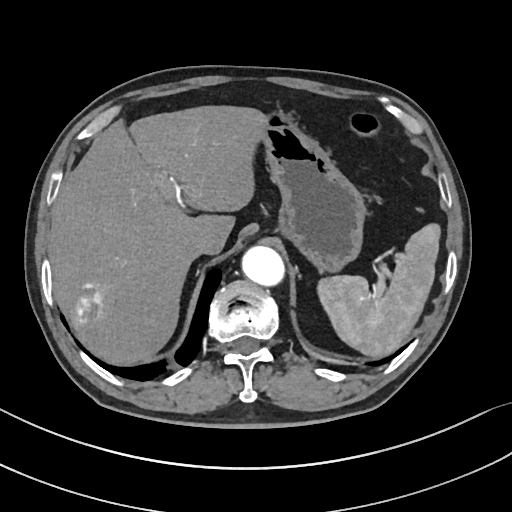
CT, abdomen/pelvis; axial view
Boxes: x1 y1 x2 y2 (pixel coords, space-separated).
spleen: 317 223 440 356
liver: 49 106 265 364
stomach: 261 110 365 272
aorta: 242 246 284 286
inferior vena cava: 181 234 209 258